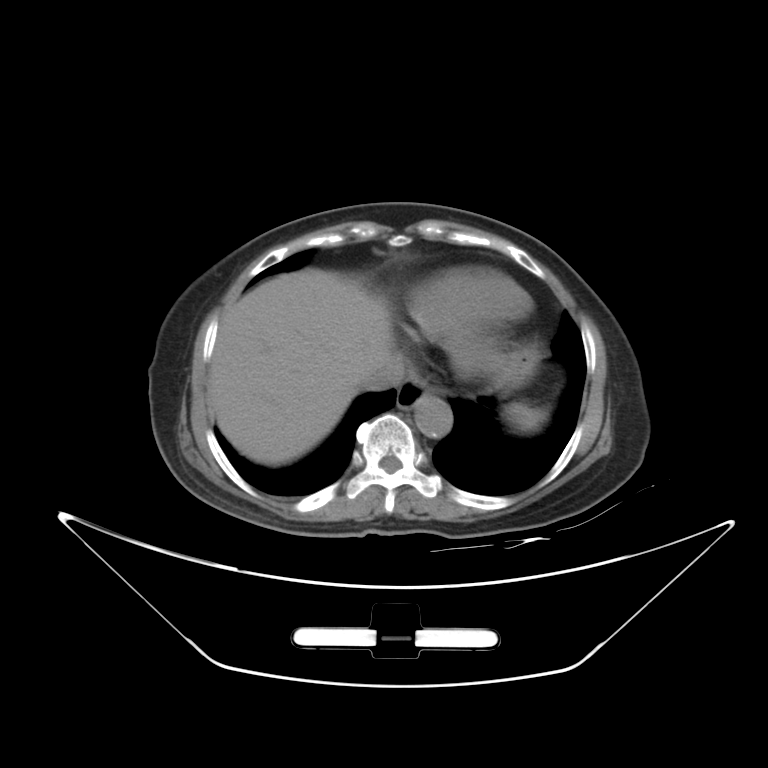 Abdominal CT. axial view. soft-tissue window
One row per box, in pixels: columns x1 and y1 give the top-left corner, x2 and y2 the bottom-right.
| organ | x1 | y1 | x2 | y2 |
|---|---|---|---|---|
| spleen | 504 | 402 | 546 | 431 |
| esophagus | 396 | 380 | 438 | 409 |
| liver | 208 | 269 | 393 | 465 |
| stomach | 500 | 347 | 537 | 386 |
| aorta | 414 | 395 | 452 | 437 |
| inferior vena cava | 361 | 354 | 405 | 390 |